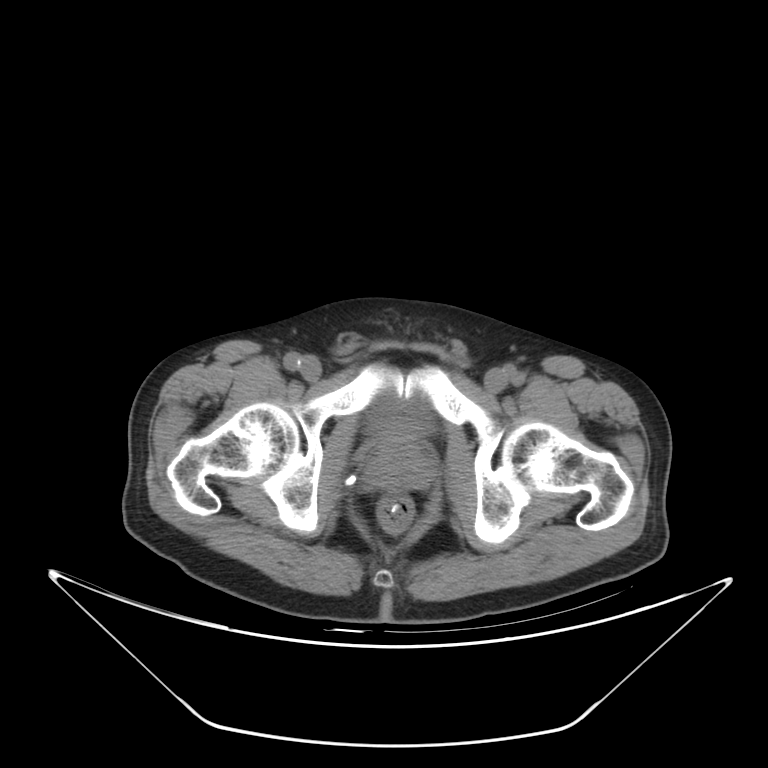
CT, abdomen/pelvis · Axial slice 16/83 · Brilliance16 scanner · scan has 15 labeled organs (a whole-scan count: organs this slice does not pass through have no box)
Boxes: x1 y1 x2 y2 (pixel coords, space-separated).
Organ bounding boxes:
- bladder: 370 397 430 432
- prostate/uterus: 366 433 432 488